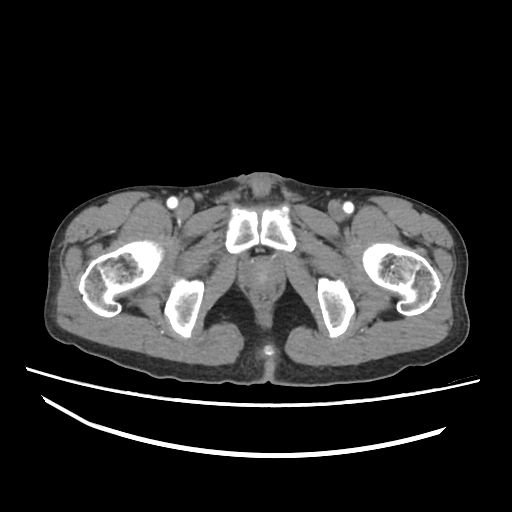
CT, abdomen/pelvis; Axial slice 17/140; abdomen soft-tissue window; 40-year-old male patient; acquired on Aquilion ONE
{"organs":{"prostate/uterus":[239,258,282,289]}}